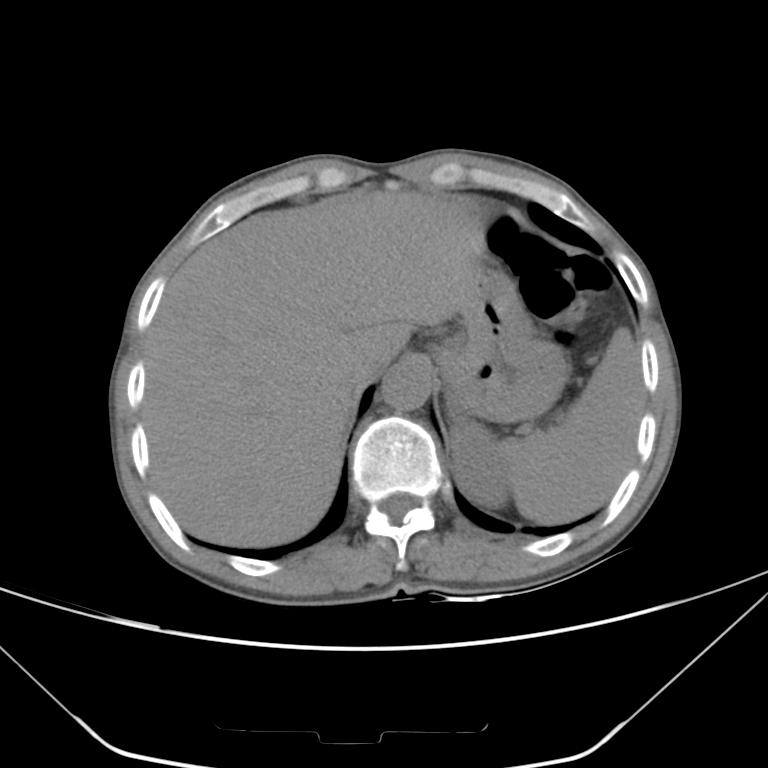

Abdominal CT. Axial slice 72/85. soft-tissue window (W 400 / L 40)
Box edges are left/top/right/bottom in pixels. Labeled organs on this slice: spleen at left=503, top=327, right=643, bottom=524, left kidney at left=451, top=419, right=510, bottom=507, liver at left=143, top=191, right=485, bottom=547, stomach at left=436, top=267, right=566, bottom=420, aorta at left=381, top=362, right=430, bottom=410, inferior vena cava at left=351, top=342, right=393, bottom=385, left adrenal gland at left=447, top=397, right=468, bottom=420.